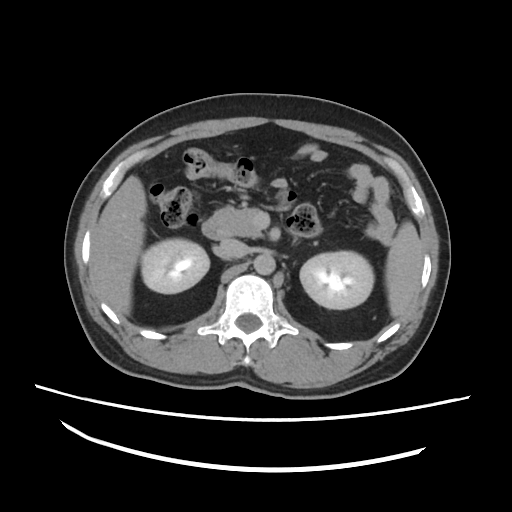 CT abdomen; axial view; soft-tissue window
<organs><organ name="spleen" x1="385" y1="221" x2="424" y2="325"/><organ name="right kidney" x1="140" y1="238" x2="210" y2="293"/><organ name="left kidney" x1="301" y1="250" x2="374" y2="308"/><organ name="liver" x1="91" y1="175" x2="146" y2="312"/><organ name="aorta" x1="253" y1="254" x2="275" y2="274"/><organ name="inferior vena cava" x1="214" y1="238" x2="250" y2="258"/><organ name="pancreas" x1="209" y1="200" x2="284" y2="239"/><organ name="duodenum" x1="202" y1="224" x2="221" y2="239"/></organs>